CT abdomen. axial view. soft-tissue window. 512x512 px
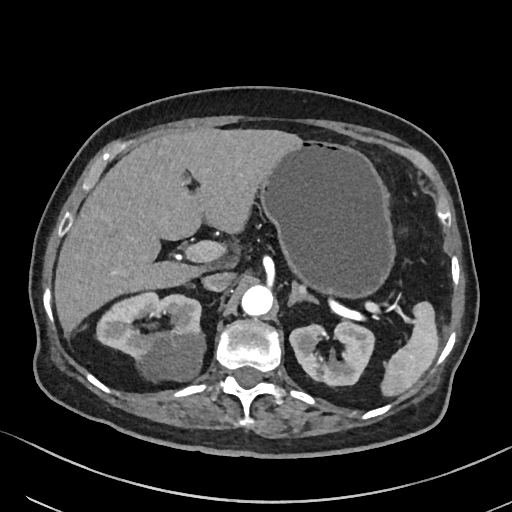

Coordinates as <box>x1,y1,x2,y2</box> in pixels.
Organ bounding boxes:
- spleen: <box>381,301,438,396</box>
- right kidney: <box>96,292,205,380</box>
- left kidney: <box>289,321,374,385</box>
- liver: <box>54,128,301,332</box>
- stomach: <box>258,139,394,298</box>
- aorta: <box>241,285,273,316</box>
- inferior vena cava: <box>202,272,234,291</box>
- left adrenal gland: <box>288,283,318,305</box>